CT abdomen — axial view — 768x768 px — 68-year-old male patient — scan has 13 labeled organs (that count is for the whole scan; organs this slice misses have no box)
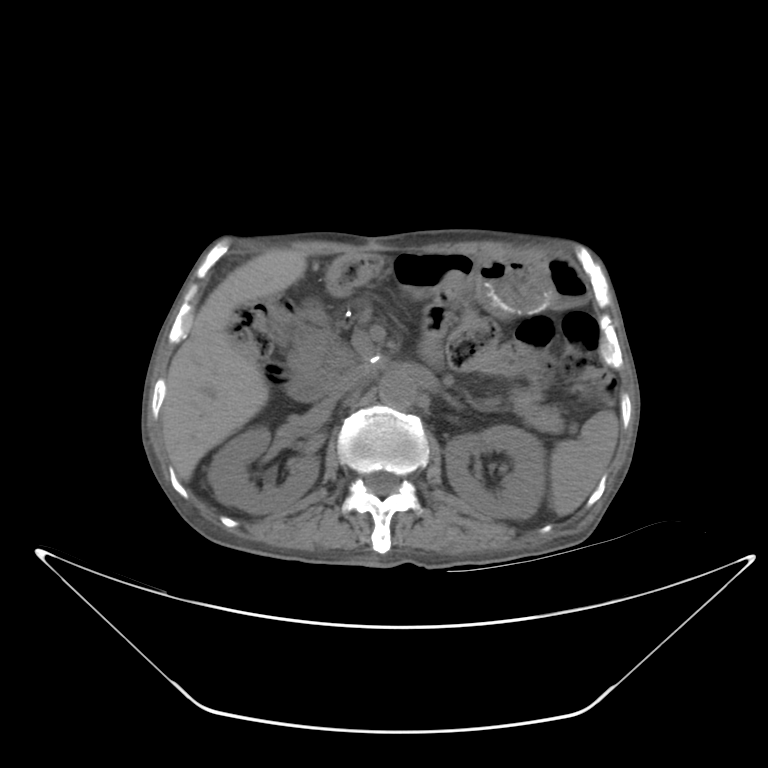 Each box given as x1,y1,x2,y2. Labeled organs on this slice: spleen at x1=549, y1=411, x2=620, y2=517, right kidney at x1=207, y1=430, x2=317, y2=512, left kidney at x1=445, y1=425, x2=545, y2=517, liver at x1=162, y1=246, x2=306, y2=478, aorta at x1=378, y1=370, x2=417, y2=407, inferior vena cava at x1=327, y1=365, x2=370, y2=396, pancreas at x1=510, y1=387, x2=565, y2=434, left adrenal gland at x1=444, y1=395, x2=461, y2=410.